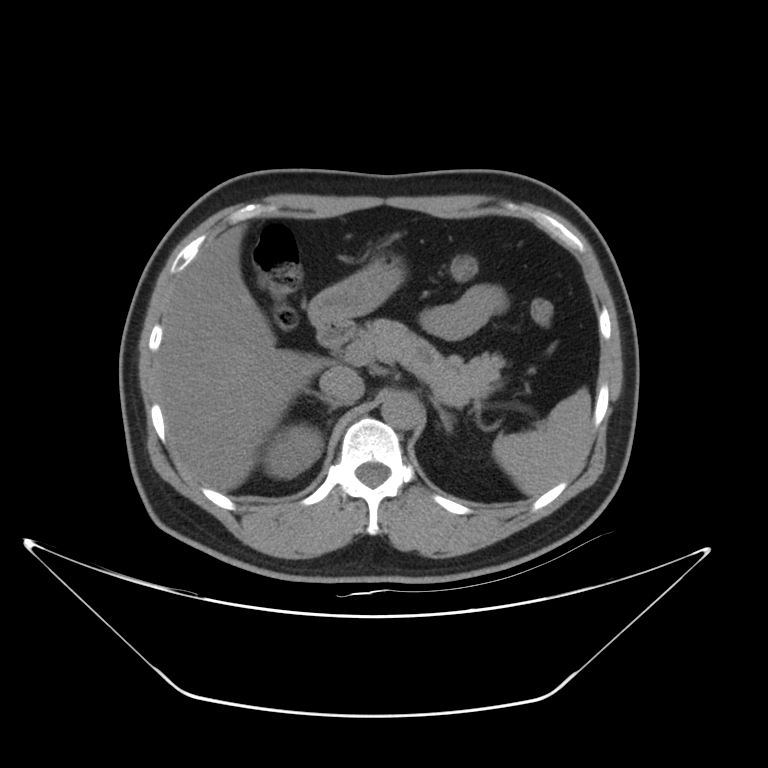
CT, abdomen/pelvis — axial view — abdomen soft-tissue window
Coordinates as <box>x1,y1,x2,y2</box> in pixels.
spleen: <box>492,388,590,495</box>
right kidney: <box>263,423,322,477</box>
liver: <box>156,227,330,490</box>
stomach: <box>309,251,405,320</box>
aorta: <box>381,393,419,429</box>
inferior vena cava: <box>320,366,364,404</box>
pancreas: <box>352,318,505,405</box>
right adrenal gland: <box>305,389,339,411</box>
left adrenal gland: <box>430,399,454,432</box>
duodenum: <box>312,320,355,349</box>